Abdominal CT; this slice is in the lower chest, just above the liver; axial view
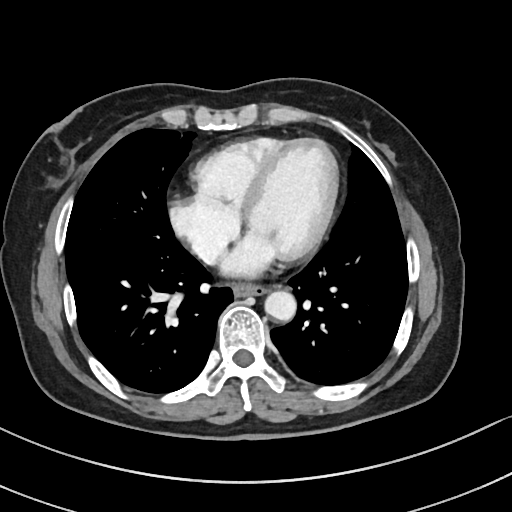 The heart and lungs are never labeled in this dataset, so they have no box on this slice.
<organs><organ name="esophagus" x1="232" y1="284" x2="269" y2="296"/><organ name="aorta" x1="264" y1="290" x2="296" y2="321"/></organs>